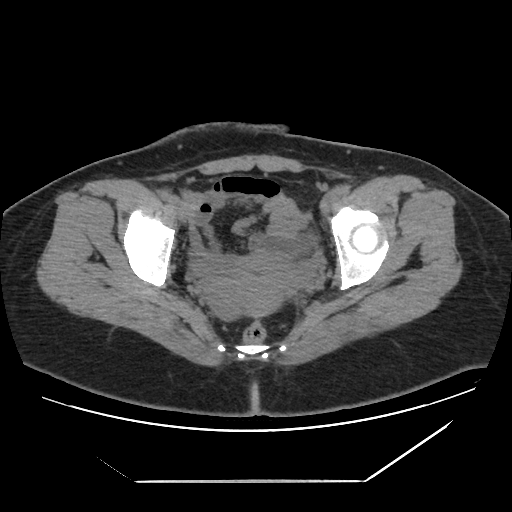 CT, abdomen/pelvis — axial view — soft-tissue window (W 400 / L 40) — 512x512 px — scan has 15 labeled organs (counted over the whole 3D scan, not this slice; an organ is boxed only where this slice passes through it)
Boxes are (x1, y1, x2, y2) in pixels. Labeled organs on this slice: prostate/uterus at (206, 252, 301, 317).